Computed tomography, abdomen — axial view — SOMATOM Force scanner — scan has 15 labeled organs (that count is for the whole scan; organs this slice misses have no box)
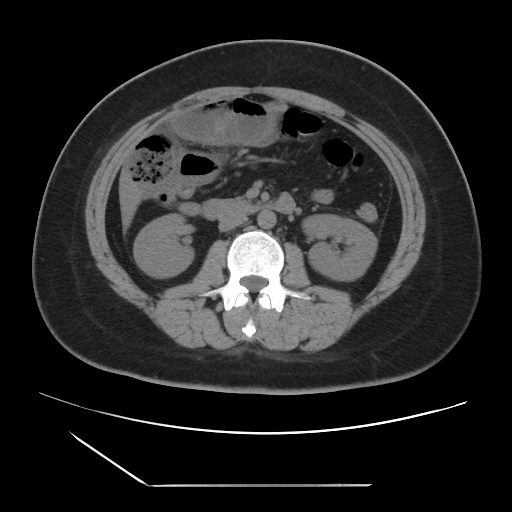 Boxes: x1 y1 x2 y2 (pixel coords, space-separated). 6 labeled organs on this slice — right kidney at 133 213 193 277; left kidney at 302 214 377 280; liver at 121 188 139 227; aorta at 257 210 275 228; inferior vena cava at 218 214 247 231; duodenum at 202 194 295 219.